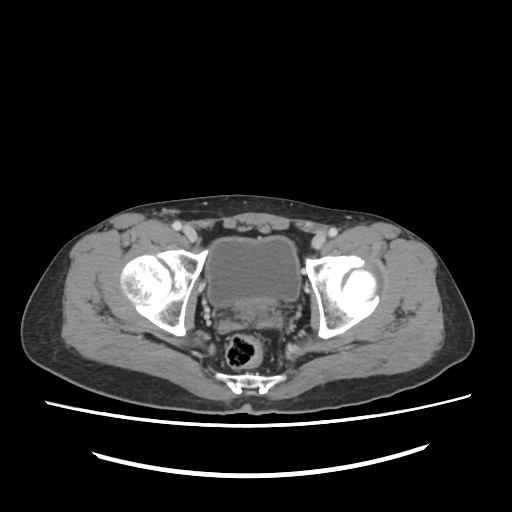

Abdominal CT — axial view — abdomen soft-tissue window — acquired on Aquilion ONE
Boxes: x1:y1:x2:y2 in pixels.
bladder: 209:238:302:306
prostate/uterus: 235:298:274:312